Chest-level CT slice, above the liver and spleen; axial view; 768x768 px
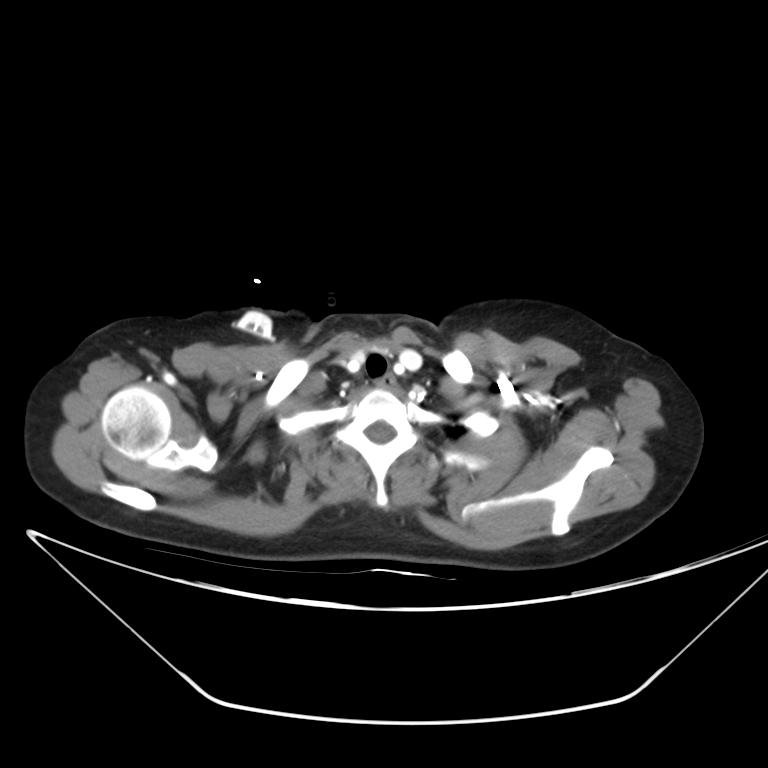

At this level of the chest this dataset labels only the esophagus and the aorta, and each is boxed only where it is labeled; the heart and lungs are never labeled.
Bounding boxes in pixels, one row per box: x1, y1 is the top-left corner and x2, y2 the bottom-right.
| organ | x1 | y1 | x2 | y2 |
|---|---|---|---|---|
| esophagus | 379 | 375 | 400 | 391 |